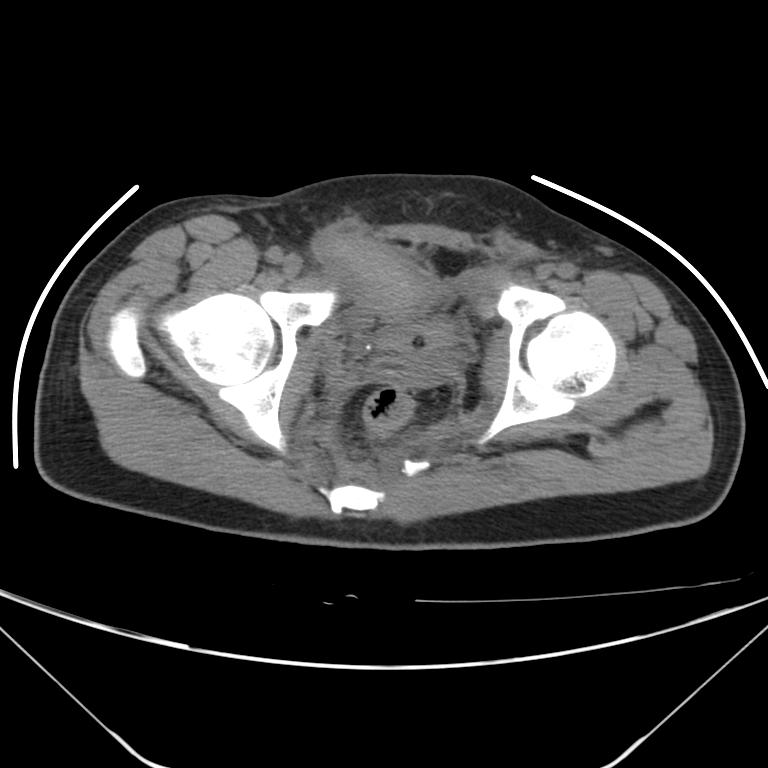 CT, abdomen/pelvis — axial plane, index 15 — 768x768 px
Organ boxes in pixel coordinates; each row gives the top-left (x1, y1) and bottom-right (x2, y2) corners.
| organ | x1 | y1 | x2 | y2 |
|---|---|---|---|---|
| bladder | 388 | 318 | 449 | 340 |
| prostate/uterus | 386 | 339 | 444 | 353 |